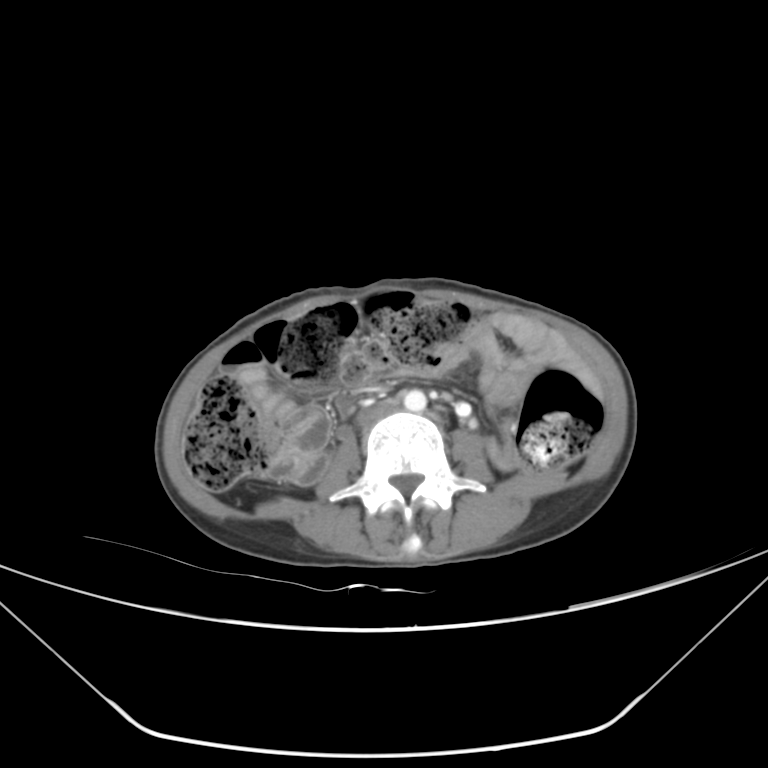

CT abdomen · axial view · soft-tissue window (W 400 / L 40) · 768x768 px
Bounding boxes as [x1, y1, x2, y2] in pixel coordinates. 2 labeled organs on this slice — aorta at [403, 390, 426, 411]; inferior vena cava at [358, 399, 398, 425].